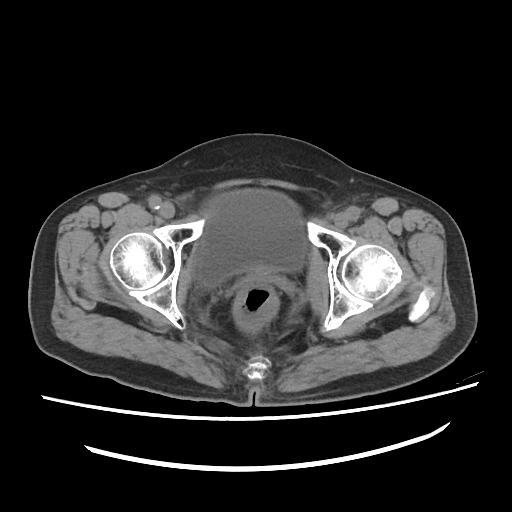 Abdominal CT — axial view
Organ boxes in pixel coordinates; each row gives the top-left (x1, y1) and bottom-right (x2, y2) corners.
| organ | x1 | y1 | x2 | y2 |
|---|---|---|---|---|
| bladder | 196 | 189 | 306 | 287 |